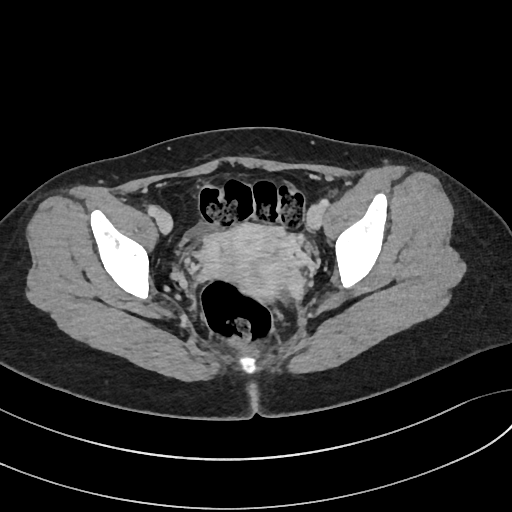

Abdominal CT. axial view
{"organs":{"prostate/uterus":[204,224,299,298]}}